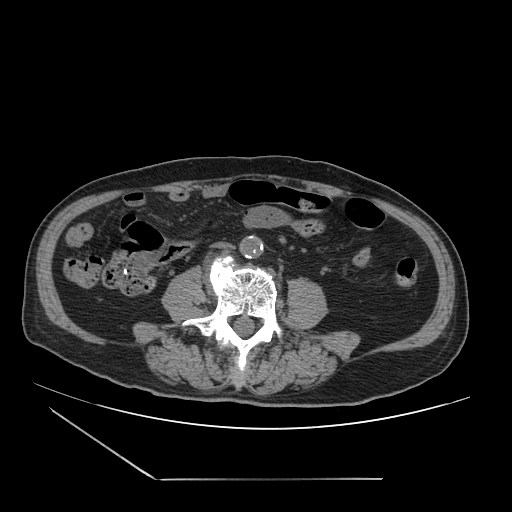 Computed tomography, abdomen. axial view. soft-tissue window. SOMATOM Force scanner
{"organs":{"inferior vena cava":[212,241,235,251],"aorta":[240,235,264,258]}}